Abdominal CT — axial view — 512x512 px
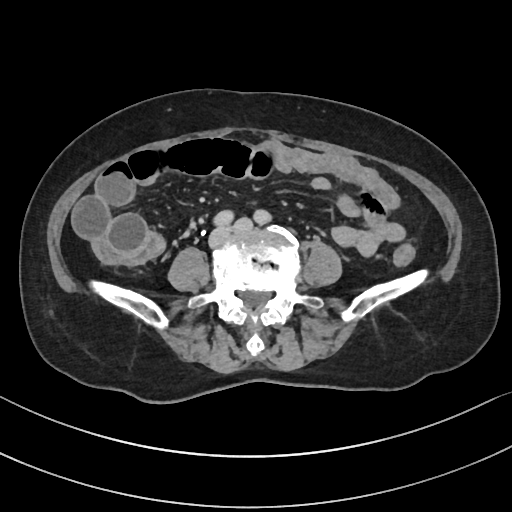

<organs><organ name="aorta" x1="253" y1="211" x2="265" y2="222"/></organs>